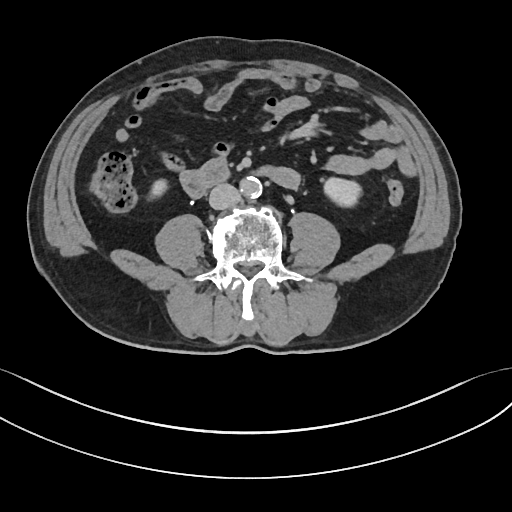

CT, abdomen/pelvis · axial view · soft-tissue window (W 400 / L 40)
Coordinates as <box>x1,y1,x2,y2</box> in pixels.
Organ bounding boxes:
- right kidney: <box>150,178,167,196</box>
- left kidney: <box>322,176,362,208</box>
- aorta: <box>240,177,263,199</box>
- inferior vena cava: <box>209,183,240,209</box>
- duodenum: <box>181,158,272,196</box>